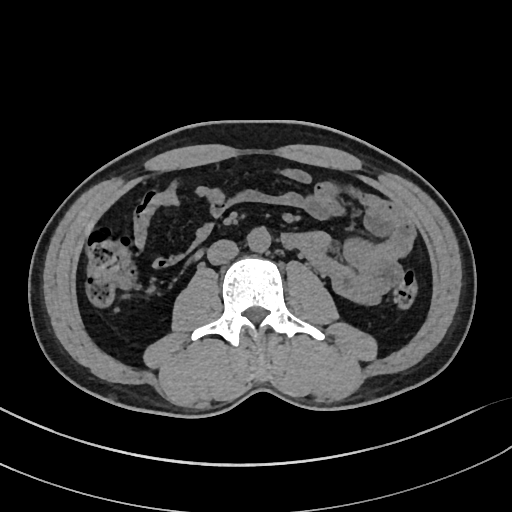 Computed tomography, abdomen — axial view — soft-tissue window — 15 organs annotated in this scan (counted over the whole 3D scan, not this slice; an organ is boxed only where this slice passes through it)
Organ boxes in pixel coordinates; each row gives the top-left (x1, y1) and bottom-right (x2, y2) corners.
| organ | x1 | y1 | x2 | y2 |
|---|---|---|---|---|
| aorta | 247 | 226 | 271 | 252 |
| inferior vena cava | 207 | 239 | 238 | 264 |